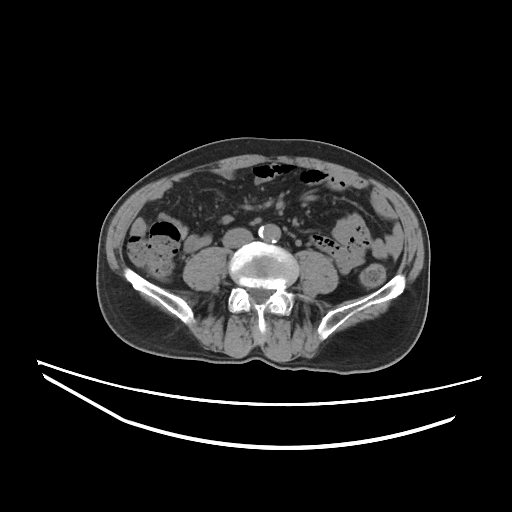

Abdominal CT · axial view · soft-tissue window (W 400 / L 40) · 512x512 px · 68-year-old male patient
Bounding boxes as [x1, y1, x2, y2] in pixel coordinates.
aorta: [258, 224, 280, 242]
inferior vena cava: [223, 228, 252, 247]